CT, abdomen/pelvis — axial plane, index 150 — soft-tissue window (W 400 / L 40) — 512x512 px
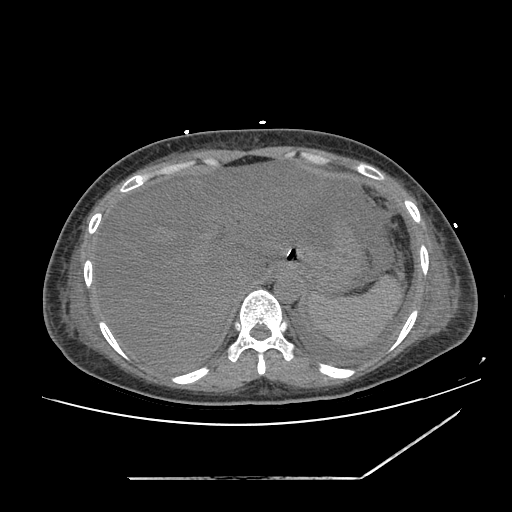 Boxes are (x1, y1, x2, y2) in pixels. The annotated organs in this slice are: inferior vena cava at (230, 273, 255, 298), stomach at (272, 219, 359, 290), aorta at (274, 272, 302, 302), spleen at (307, 272, 403, 347), liver at (94, 160, 345, 370).